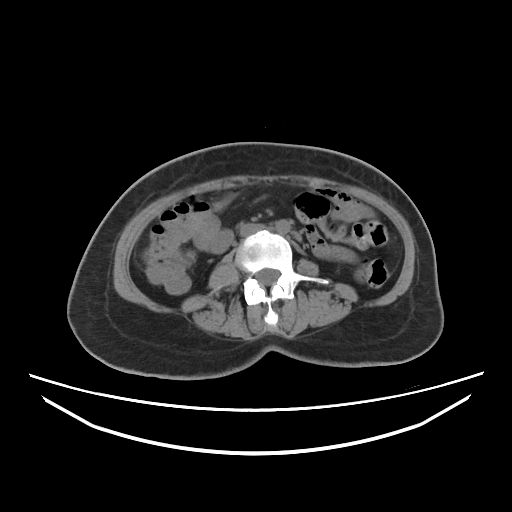
Abdominal CT · axial view · W/L 400/40 HU · 512x512 px · 49-year-old female patient
Organ boxes in pixel coordinates; each row gives the top-left (x1, y1) and bottom-right (x2, y2) corners.
| organ | x1 | y1 | x2 | y2 |
|---|---|---|---|---|
| aorta | 275 | 220 | 290 | 234 |
| inferior vena cava | 240 | 223 | 265 | 236 |